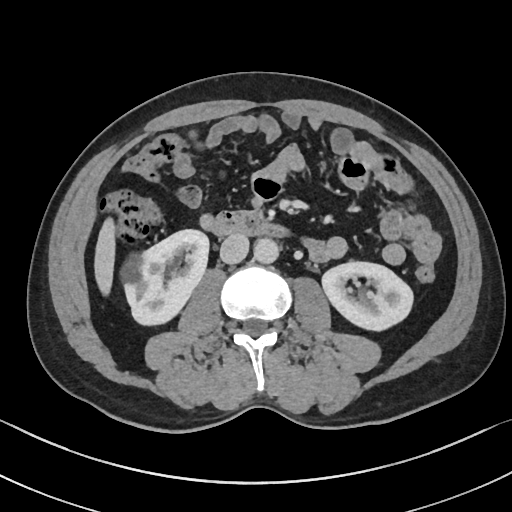
Computed tomography, abdomen · axial view · abdomen soft-tissue window · 512x512 px
Boxes: x1 y1 x2 y2 (pixel coords, space-separated).
Organ bounding boxes:
- inferior vena cava: 220 234 249 263
- aorta: 254 238 278 263
- duodenum: 208 209 286 236
- right kidney: 121 229 208 325
- liver: 94 218 115 295
- left kidney: 322 261 413 330